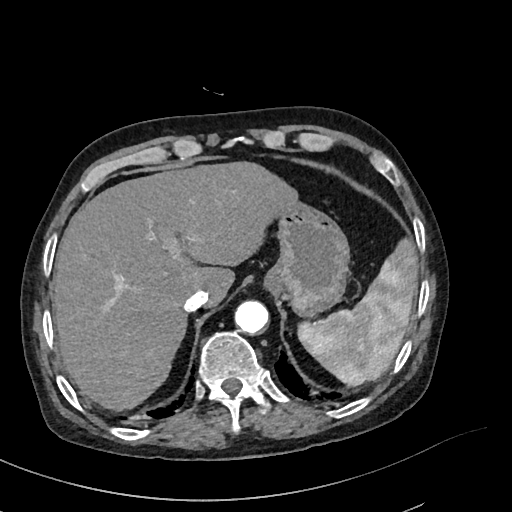
CT, abdomen/pelvis; Axial slice 195/235; soft-tissue window
<organs><organ name="spleen" x1="298" y1="241" x2="418" y2="386"/><organ name="liver" x1="51" y1="160" x2="295" y2="411"/><organ name="stomach" x1="266" y1="196" x2="350" y2="316"/><organ name="aorta" x1="234" y1="300" x2="268" y2="334"/><organ name="inferior vena cava" x1="183" y1="289" x2="208" y2="311"/></organs>